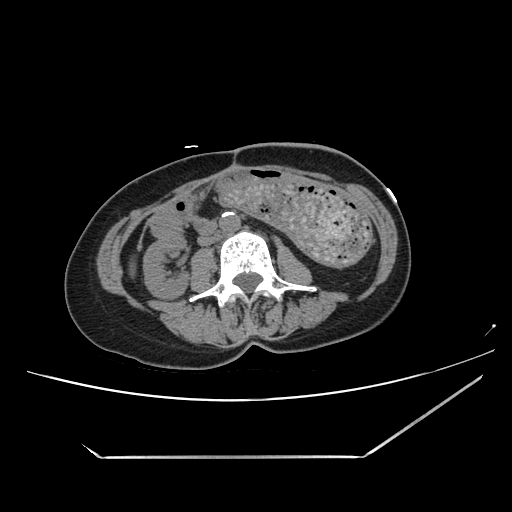

CT, abdomen/pelvis · axial view
Boxes are (x1, y1, x2, y2) in pixels. The annotated organs in this slice are: right kidney at (143, 232, 188, 299), stomach at (218, 182, 371, 265), aorta at (219, 212, 240, 233), inferior vena cava at (198, 231, 220, 245), duodenum at (195, 219, 217, 236).